Abdominal MRI. axial view. 576x468 px
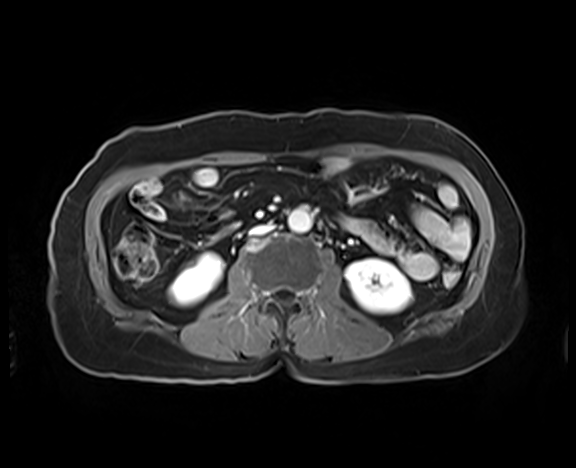
<organs><organ name="left kidney" x1="345" y1="259" x2="411" y2="313"/><organ name="right kidney" x1="169" y1="253" x2="223" y2="305"/><organ name="inferior vena cava" x1="251" y1="225" x2="271" y2="234"/><organ name="aorta" x1="288" y1="209" x2="311" y2="232"/></organs>